Abdominal CT. axial view. abdomen soft-tissue window
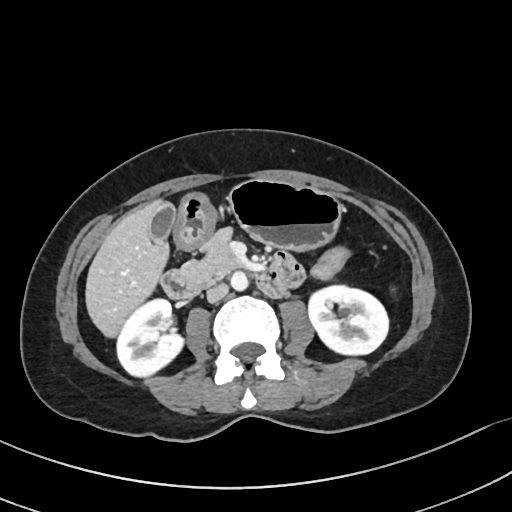

Bounding boxes in pixels, one row per box: x1, y1 is the top-left corner and x2, y2 the bottom-right.
| organ | x1 | y1 | x2 | y2 |
|---|---|---|---|---|
| right kidney | 117 | 299 | 183 | 376 |
| left kidney | 308 | 285 | 388 | 354 |
| gall bladder | 150 | 204 | 175 | 241 |
| liver | 85 | 199 | 169 | 337 |
| stomach | 174 | 179 | 343 | 251 |
| aorta | 230 | 272 | 248 | 290 |
| inferior vena cava | 206 | 283 | 228 | 302 |
| pancreas | 180 | 231 | 243 | 287 |
| duodenum | 161 | 253 | 303 | 299 |